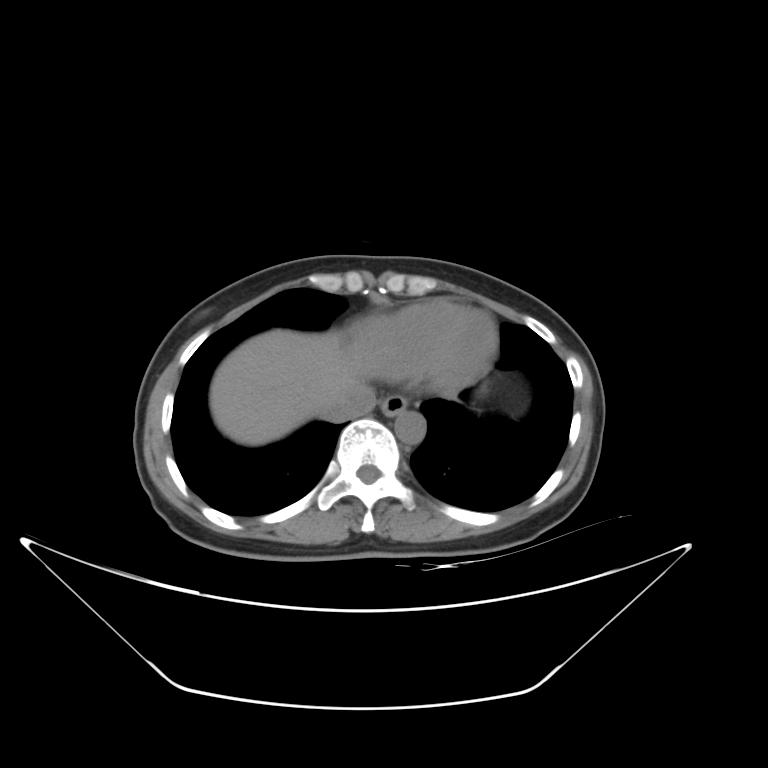

Computed tomography, abdomen · Axial slice 90/99 · 768x768 px · 43-year-old female patient
Each box given as x1,y1,x2,y2.
Organ bounding boxes:
- inferior vena cava: x1=321, y1=385, x2=377, y2=422
- liver: x1=210, y1=329, x2=374, y2=445
- aorta: x1=394, y1=410, x2=426, y2=443
- esophagus: x1=380, y1=394, x2=407, y2=416